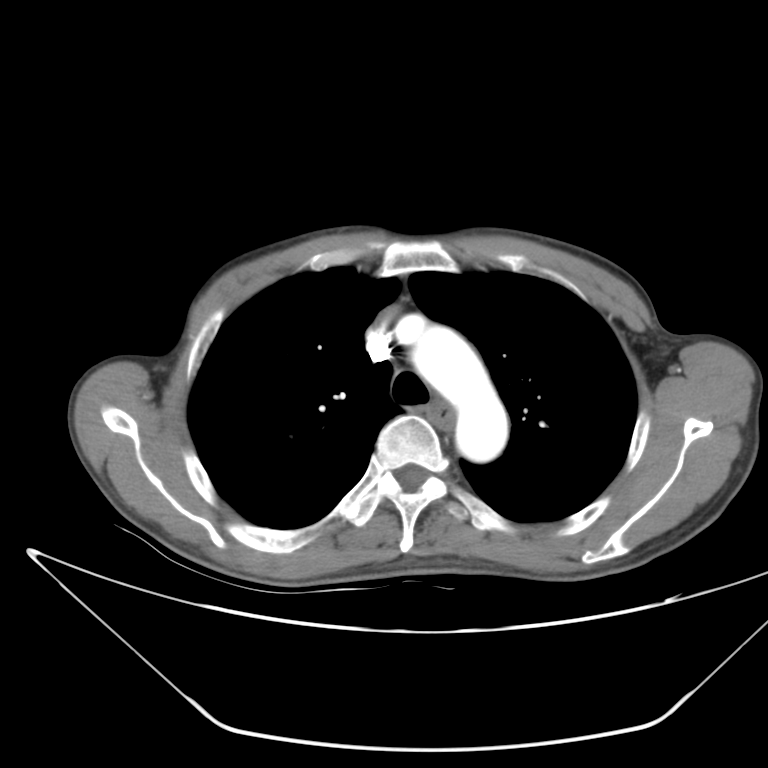 Abdominal CT reaching into the chest; this slice is in the chest — axial plane, index 86 — soft-tissue window — 62-year-old male patient — scan has 13 labeled organs (counted over the whole 3D scan, not this slice; an organ is boxed only where this slice passes through it)
At this level of the chest no structure but the esophagus and the aorta has a label in this dataset, and those two are boxed only where they are labeled.
Bounding boxes in pixels, one row per box: x1, y1 is the top-left corner and x2, y2 the bottom-right.
| organ | x1 | y1 | x2 | y2 |
|---|---|---|---|---|
| esophagus | 428 | 400 | 454 | 434 |
| aorta | 406 | 316 | 508 | 462 |